Chest-level slice from an abdominal CT that extends up into the chest. axial view. scan has 15 labeled organs (a whole-scan count: organs this slice does not pass through have no box)
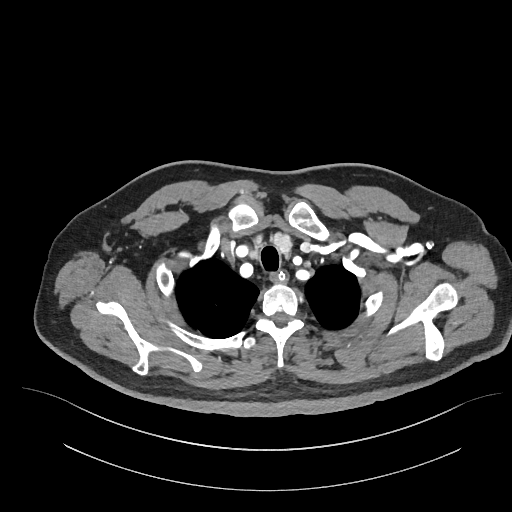

At this level of the chest this dataset labels only the esophagus and the aorta, and each is boxed only where it is labeled; the heart and lungs are never labeled.
<organs><organ name="esophagus" x1="271" y1="270" x2="289" y2="282"/></organs>